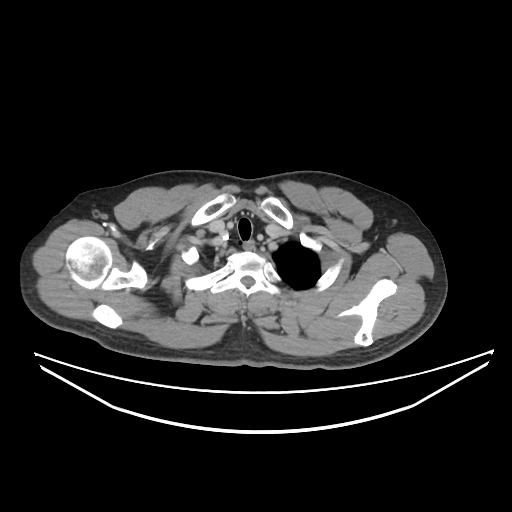 CT of the abdomen extending into the chest, slice through the chest. axial view. W/L 400/40 HU. 512x512 px. 40-year-old male patient
On a slice this high in the chest, this dataset labels only the esophagus and the aorta, and each is boxed only where it is labeled; the heart, lungs and other chest structures are not labeled.
{"organs":{"esophagus":[243,239,255,249]}}